Computed tomography, abdomen; axial view; soft-tissue window (W 400 / L 40); 512x512 px
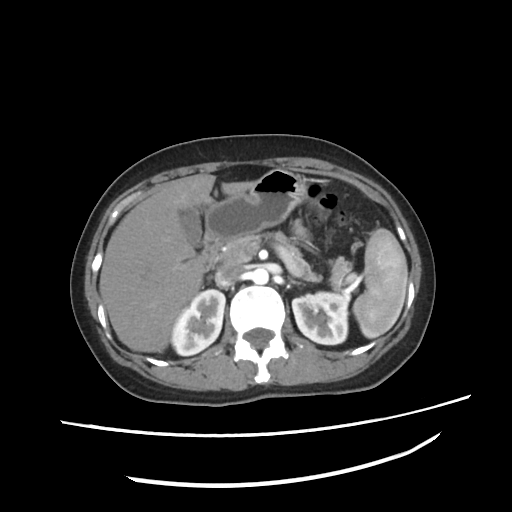

Boxes: x1 y1 x2 y2 (pixel coords, space-separated).
left kidney: 291 292 348 345
liver: 99 175 252 352
duodenum: 202 238 221 269
right kidney: 172 290 225 354
gall bladder: 180 207 202 247
left adrenal gland: 289 277 300 283
stomach: 204 169 305 241
spleen: 352 227 407 339
inferior vena cava: 214 265 246 285
aorta: 253 268 268 284
pancreas: 218 231 353 291